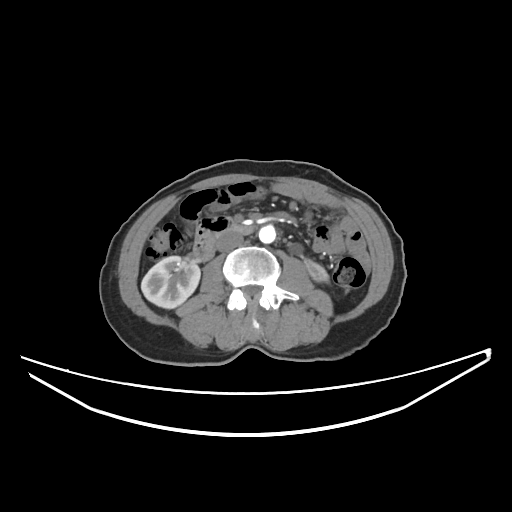
Abdominal CT; axial view; 512x512 px; acquired on Aquilion ONE
Box edges are left/top/right/bottom in pixels.
inferior vena cava: left=216, top=232, right=243, bottom=251
aorta: left=258, top=225, right=275, bottom=243
duodenum: left=193, top=218, right=252, bottom=260
left kidney: left=307, top=262, right=328, bottom=281
right kidney: left=141, top=256, right=200, bottom=308